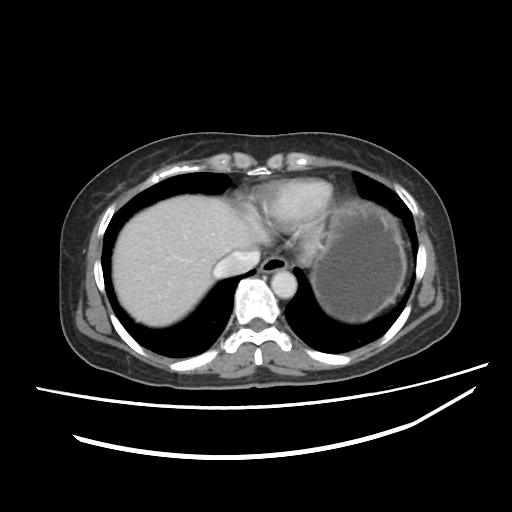
Computed tomography, abdomen · axial view · W/L 400/40 HU · acquired on Aquilion ONE
Boxes are (x1, y1, x2, y2) in pixels. Labeled organs on this slice: esophagus at (259, 255, 288, 273), liver at (112, 195, 318, 326), stomach at (311, 199, 406, 322), aorta at (271, 270, 296, 298), inferior vena cava at (213, 250, 260, 278).